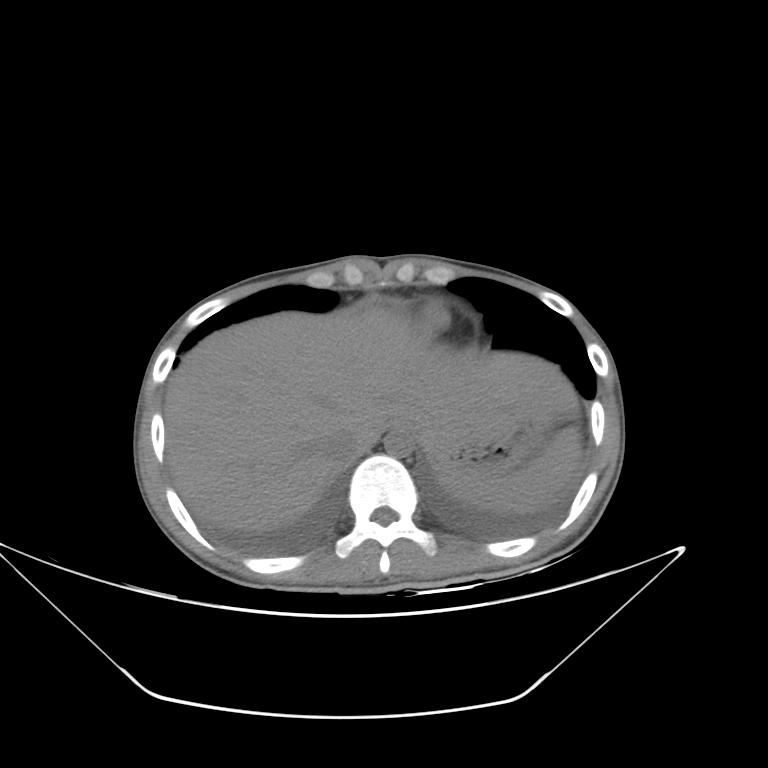

Computed tomography, abdomen; axial plane, index 89; soft-tissue window; 768x768 px
One row per box, in pixels: columns x1 and y1 give the top-left corner, x2 and y2 the bottom-right.
| organ | x1 | y1 | x2 | y2 |
|---|---|---|---|---|
| spleen | 439 | 426 | 582 | 513 |
| esophagus | 394 | 427 | 416 | 436 |
| liver | 164 | 307 | 578 | 533 |
| stomach | 415 | 419 | 548 | 474 |
| aorta | 384 | 428 | 413 | 456 |
| inferior vena cava | 324 | 427 | 364 | 461 |